Abdominal MRI. coronal view. scan has 13 labeled organs (that count is for the whole scan; organs this slice misses have no box)
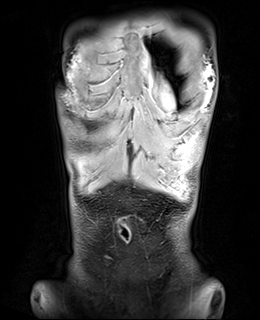

One row per box, in pixels: columns x1 and y1 give the top-left corner, x2 and y2 the bottom-right.
| organ | x1 | y1 | x2 | y2 |
|---|---|---|---|---|
| stomach | 170 | 178 | 173 | 178 |